Computed tomography, abdomen · axial view
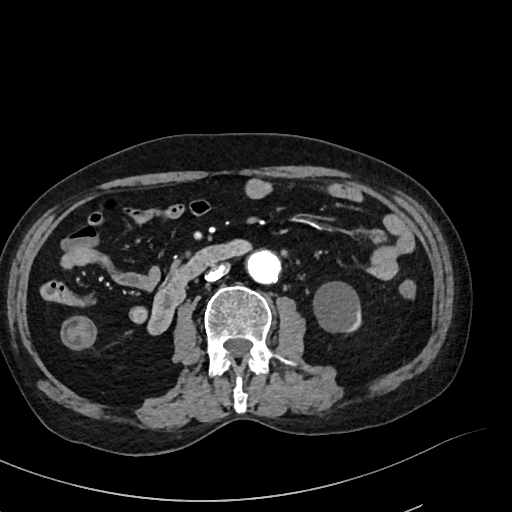 Organ boxes in pixel coordinates; each row gives the top-left (x1, y1) and bottom-right (x2, y2) corners.
| organ | x1 | y1 | x2 | y2 |
|---|---|---|---|---|
| inferior vena cava | 205 | 265 | 227 | 281 |
| aorta | 247 | 250 | 280 | 285 |
| left kidney | 313 | 281 | 362 | 333 |
| duodenum | 149 | 238 | 252 | 333 |